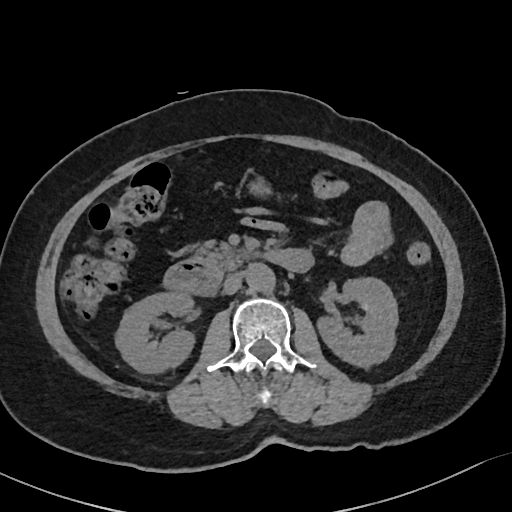
CT, abdomen/pelvis · axial plane, index 123
Each box given as x1,y1,x2,y2.
Organ bounding boxes:
- right kidney: x1=115, y1=292, x2=194, y2=373
- left kidney: x1=317, y1=277, x2=398, y2=366
- stomach: x1=249, y1=182, x2=270, y2=196
- aorta: x1=246, y1=263, x2=274, y2=291
- inferior vena cava: x1=223, y1=273, x2=243, y2=294
- pancreas: x1=195, y1=241, x2=257, y2=270
- duodenum: x1=163, y1=249, x2=313, y2=295